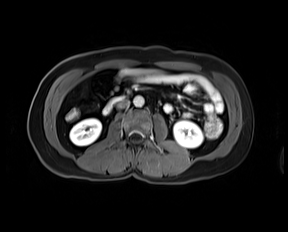

Abdominal MR · axial plane, index 7 · 1st–99th percentile window · 288x232 px
Bounding boxes in pixels, one row per box: x1, y1 is the top-left corner and x2, y2 the bottom-right.
| organ | x1 | y1 | x2 | y2 |
|---|---|---|---|---|
| right kidney | 69 | 118 | 101 | 145 |
| left kidney | 173 | 120 | 203 | 148 |
| aorta | 133 | 96 | 144 | 106 |
| inferior vena cava | 116 | 100 | 129 | 109 |
| duodenum | 103 | 95 | 125 | 114 |